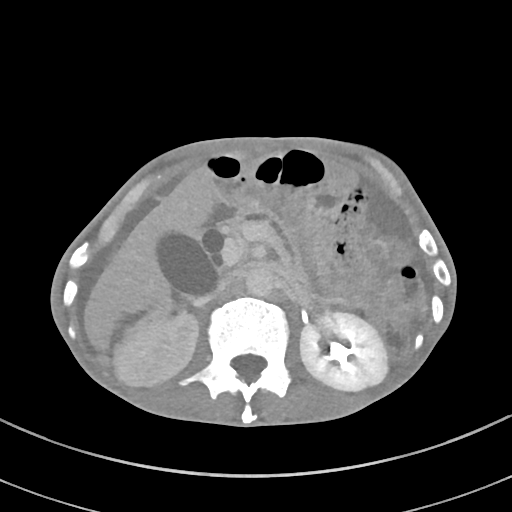 Abdominal CT — axial view — W/L 400/40 HU — acquired on SOMATOM Force
Box edges are left/top/right/bottom in pixels. The annotated organs in this slice are: aorta at left=245, top=265, right=275, bottom=296, right kidney at left=115, top=312, right=198, bottom=386, duodenum at left=207, top=197, right=241, bottom=226, gall bladder at left=155, top=230, right=220, bottom=299, pancreas at left=231, top=204, right=308, bottom=285, left kidney at left=300, top=312, right=387, bottom=390, liver at left=85, top=172, right=219, bottom=353.